Abdominal CT — axial view — 512x512 px — acquired on Aquilion ONE
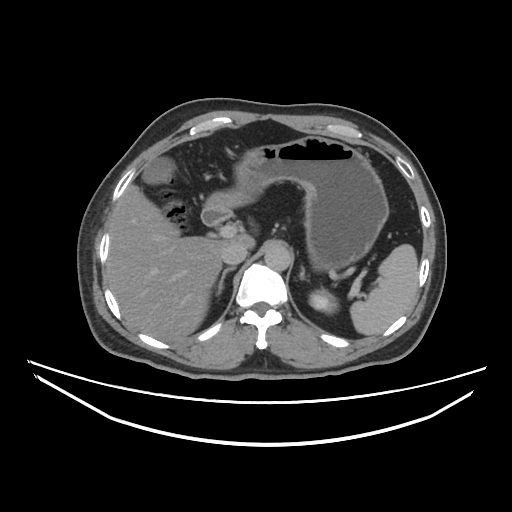

Bounding boxes in pixels, one row per box: x1, y1 is the top-left corner and x2, y2 the bottom-right.
| organ | x1 | y1 | x2 | y2 |
|---|---|---|---|---|
| right adrenal gland | 217 | 266 | 235 | 294 |
| aorta | 264 | 243 | 292 | 270 |
| stomach | 207 | 135 | 389 | 270 |
| liver | 106 | 184 | 254 | 345 |
| gall bladder | 142 | 158 | 173 | 183 |
| left kidney | 309 | 289 | 337 | 312 |
| inferior vena cava | 221 | 242 | 248 | 264 |
| duodenum | 202 | 204 | 231 | 225 |
| left adrenal gland | 299 | 266 | 305 | 280 |
| spleen | 349 | 244 | 418 | 335 |